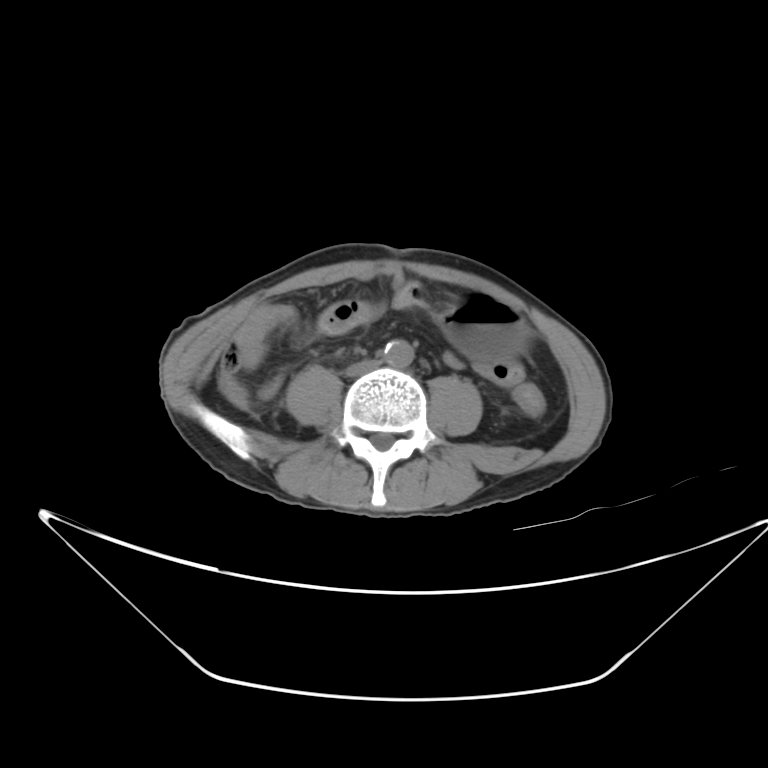
CT abdomen; axial plane, index 42; 51-year-old male patient
Boxes: x1 y1 x2 y2 (pixel coords, space-separated). The annotated organs in this slice are: aorta at 383 337 414 368, stomach at 442 293 528 357, inferior vena cava at 345 361 378 377.